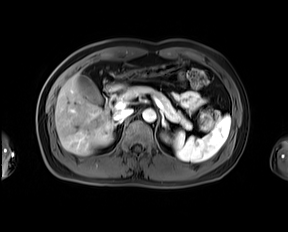 MRI, abdomen; axial view; percentile-normalized; 288x232 px; acquired on Prisma
<organs><organ name="spleen" x1="174" y1="115" x2="230" y2="162"/><organ name="right kidney" x1="99" y1="134" x2="112" y2="145"/><organ name="left kidney" x1="162" y1="134" x2="169" y2="142"/><organ name="gall bladder" x1="77" y1="75" x2="102" y2="103"/><organ name="liver" x1="55" y1="74" x2="114" y2="155"/><organ name="stomach" x1="108" y1="62" x2="185" y2="91"/><organ name="aorta" x1="142" y1="109" x2="155" y2="122"/><organ name="inferior vena cava" x1="113" y1="108" x2="132" y2="121"/><organ name="pancreas" x1="119" y1="86" x2="191" y2="128"/><organ name="right adrenal gland" x1="115" y1="121" x2="121" y2="126"/><organ name="left adrenal gland" x1="162" y1="113" x2="167" y2="129"/><organ name="duodenum" x1="103" y1="87" x2="116" y2="111"/></organs>